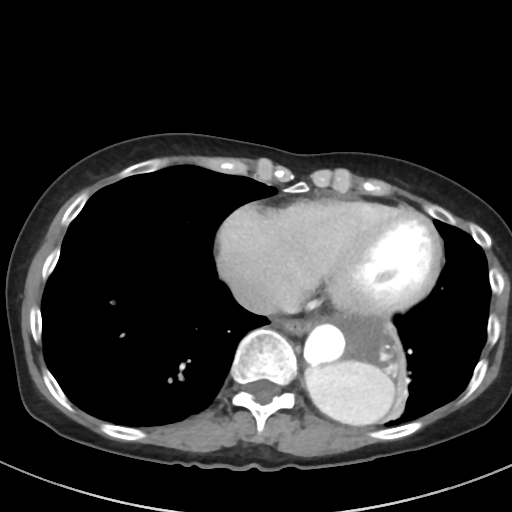 Abdominal CT; this slice is in the lower chest, just above the liver — axial view — scan has 15 labeled organs (that count is for the whole scan; organs this slice misses have no box)
The heart and lungs are never labeled in this dataset, so they have no box on this slice.
{"organs":{"aorta":[303,316,405,426],"esophagus":[277,318,311,334],"inferior vena cava":[229,275,281,315]}}